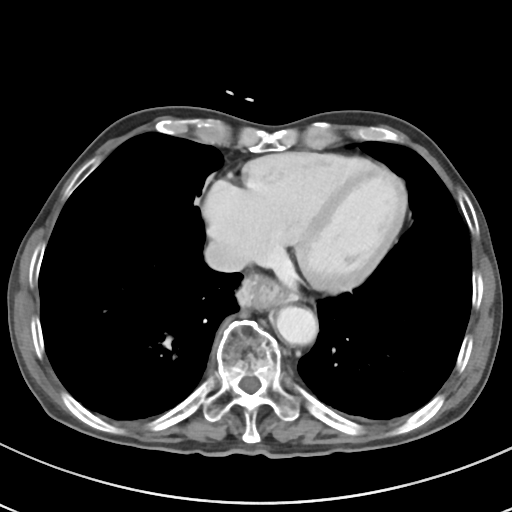

Lower-chest slice from an abdominal CT, just above the liver and spleen; axial view; W/L 400/40 HU; 15 organs annotated in this scan (that count is for the whole scan; organs this slice misses have no box)
Of the structures in the chest, this dataset labels only the esophagus, the aorta and the inferior vena cava; the heart and lungs have no label. Coordinates as <box>x1,y1,x2,y2</box> in pixels. The annotated organs in this slice are: esophagus at <box>238,276,295,309</box>, aorta at <box>276,306,318,345</box>, inferior vena cava at <box>204,240,248,272</box>.